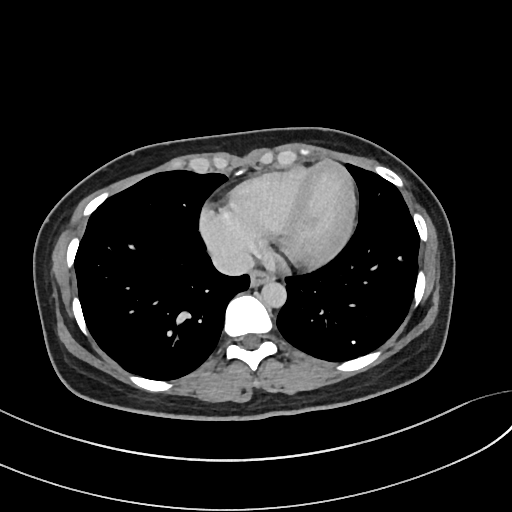

CT of the abdomen reaching into the lower chest, slice just above the liver and spleen · Axial slice 212/219 · 512x512 px
Of the structures in the chest, this dataset labels only the esophagus, the aorta and the inferior vena cava; the heart and lungs have no label.
Each box given as x1,y1,x2,y2.
esophagus: x1=250, y1=268, x2=272, y2=284
aorta: x1=261, y1=281, x2=285, y2=307
inferior vena cava: x1=212, y1=249, x2=253, y2=276